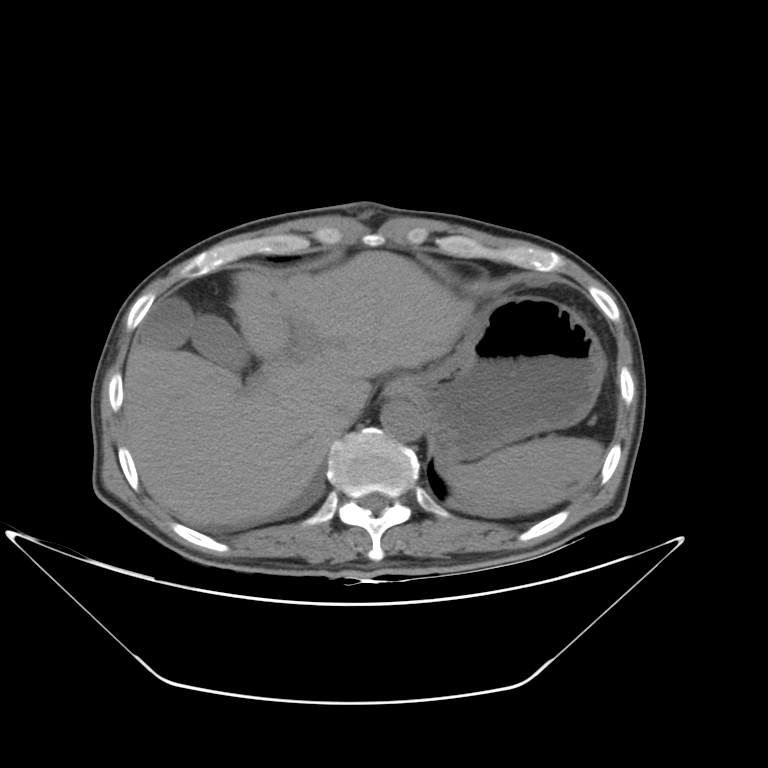
CT, abdomen/pelvis · axial plane, index 83 · soft-tissue window (W 400 / L 40) · acquired on Brilliance16
Boxes: x1 y1 x2 y2 (pixel coords, space-separated).
spleen: 440 435 603 515
gall bladder: 139 296 248 370
esophagus: 384 380 398 397
liver: 123 250 473 525
stomach: 395 296 606 464
aorta: 380 401 422 441
inferior vena cava: 332 393 365 425